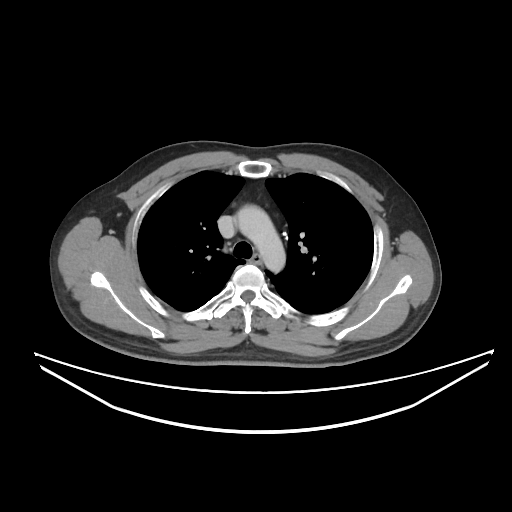

Abdominal CT reaching into the chest; this slice is in the chest. axial view. soft-tissue window (W 400 / L 40). 512x512 px. acquired on Aquilion ONE. scan has 15 labeled organs (a whole-scan count: organs this slice does not pass through have no box)
On a slice this high in the chest, this dataset labels only the esophagus and the aorta, and each is boxed only where it is labeled; the heart, lungs and other chest structures are not labeled.
Boxes: x1:y1:x2:y2 in pixels.
esophagus: 248:254:261:265
aorta: 235:204:285:272